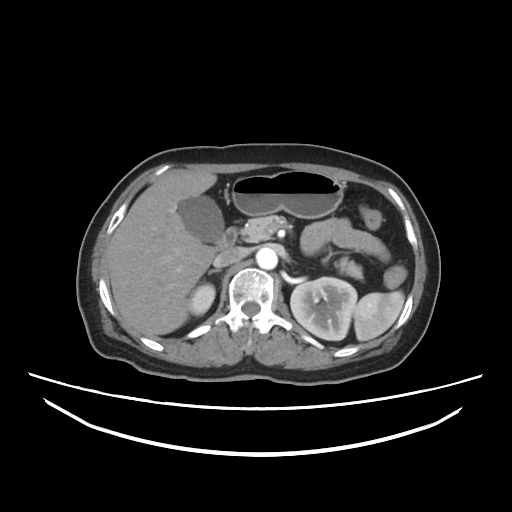 Computed tomography, abdomen. axial plane, index 57. 62-year-old female patient. Aquilion ONE scanner
Boxes are (x1, y1, x2, y2) in pixels.
Organ bounding boxes:
- right adrenal gland: (209, 268, 221, 274)
- inferior vena cava: (213, 247, 247, 267)
- stomach: (229, 170, 345, 218)
- liver: (108, 169, 217, 335)
- duodenum: (215, 228, 235, 251)
- right kidney: (188, 282, 215, 316)
- aorta: (257, 247, 278, 270)
- gall bladder: (178, 194, 223, 244)
- pancreas: (238, 215, 362, 279)
- spleen: (353, 290, 404, 342)
- left kidney: (290, 278, 357, 340)